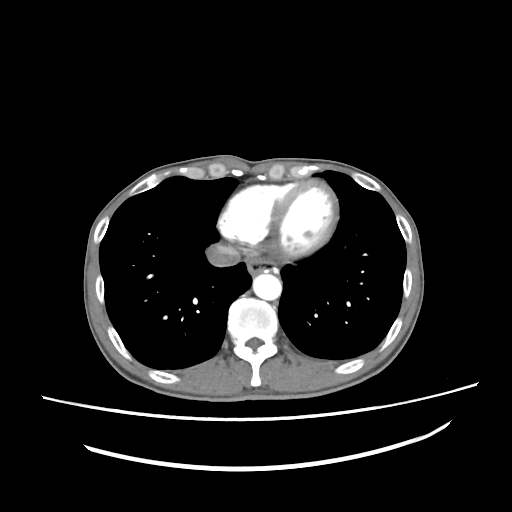

CT of the abdomen reaching into the lower chest, slice just above the liver and spleen · axial view · soft-tissue window, W/L 400/40 · acquired on Aquilion ONE
Of the structures in the chest, this dataset labels only the esophagus, the aorta and the inferior vena cava; the heart and lungs have no label. Boxes: x1:y1:x2:y2 in pixels. 3 labeled organs on this slice — esophagus at 246:257:272:275; aorta at 253:272:281:300; inferior vena cava at 206:244:240:267.